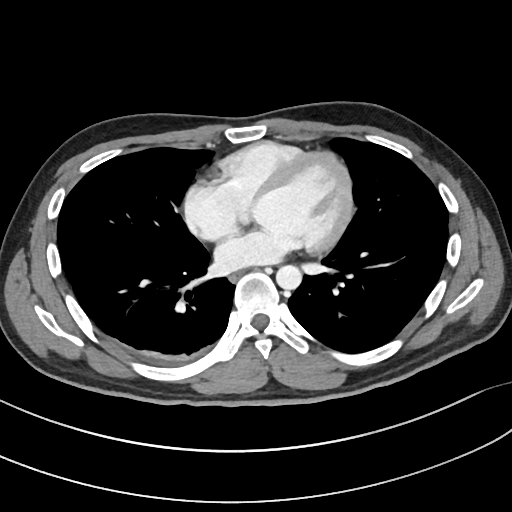
CT of the abdomen reaching into the lower chest, slice just above the liver and spleen — axial view — soft-tissue window — 512x512 px — SOMATOM Force scanner
The heart and lungs are never labeled in this dataset, so they have no box on this slice.
{"organs":{"esophagus":[228,272,240,281],"aorta":[276,265,302,290]}}